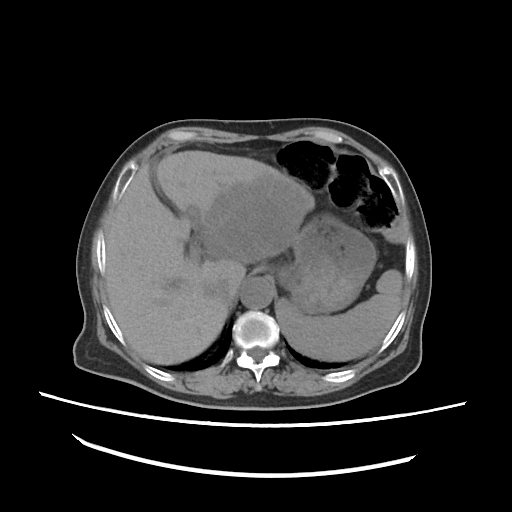 Abdominal CT — axial view — W/L 400/40 HU — 75-year-old female patient — Aquilion ONE scanner
One row per box, in pixels: columns x1 and y1 give the top-left corner, x2 and y2 the bottom-right.
| organ | x1 | y1 | x2 | y2 |
|---|---|---|---|---|
| inferior vena cava | 205 | 278 | 228 | 301 |
| stomach | 280 | 220 | 376 | 315 |
| aorta | 240 | 277 | 273 | 309 |
| liver | 105 | 150 | 315 | 364 |
| spleen | 278 | 269 | 403 | 360 |